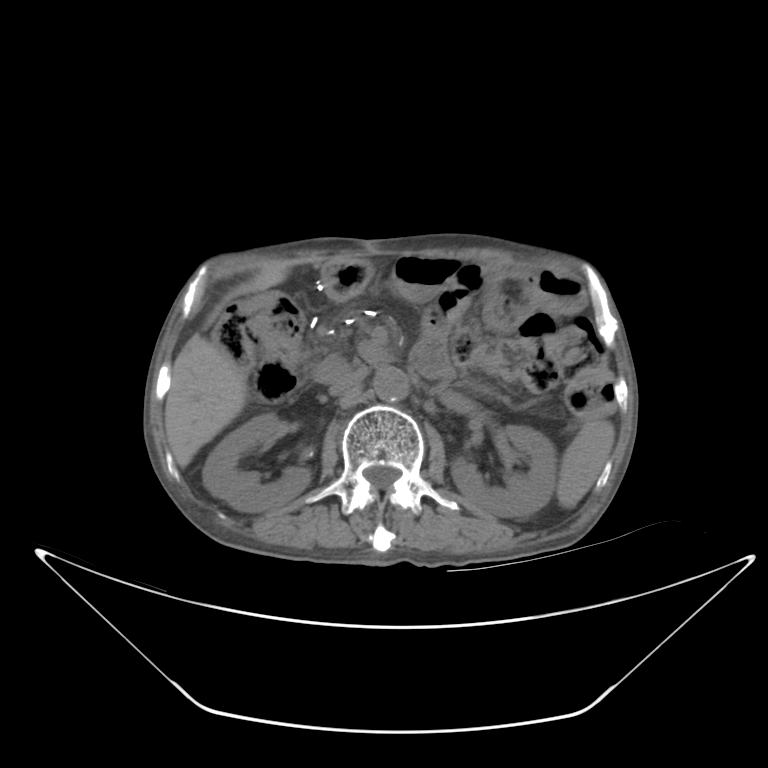

Abdominal CT · axial view · 68-year-old male patient · Brilliance16 scanner
Bounding boxes in pixels, one row per box: x1, y1 is the top-left corner and x2, y2 the bottom-right.
| organ | x1 | y1 | x2 | y2 |
|---|---|---|---|---|
| spleen | 556 | 419 | 614 | 509 |
| right kidney | 203 | 414 | 311 | 512 |
| left kidney | 450 | 424 | 555 | 517 |
| liver | 165 | 268 | 288 | 465 |
| aorta | 372 | 366 | 408 | 402 |
| inferior vena cava | 329 | 365 | 367 | 394 |